Abdominal MRI; this slice is in the lower chest, just above the liver · axial view · percentile-normalized · 13 organs annotated in this scan (a whole-scan count: organs this slice does not pass through have no box)
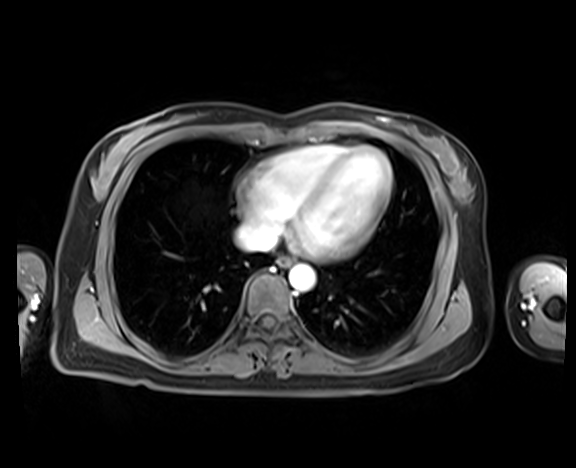

Of the structures in the chest, this dataset labels only the esophagus, the aorta and the inferior vena cava; the heart and lungs have no label.
Boxes: x1:y1:x2:y2 in pixels.
Organ bounding boxes:
- aorta: 289:264:315:291
- esophagus: 277:256:292:266
- inferior vena cava: 236:225:276:250